CT abdomen. axial view. 512x512 px
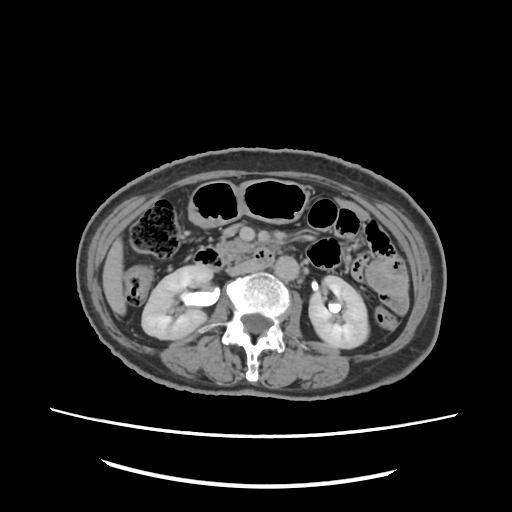

Each box given as x1,y1,x2,y2. The annotated organs in this slice are: right kidney at x1=141, y1=266, x2=211, y2=339, left kidney at x1=308, y1=275, x2=369, y2=348, liver at x1=103, y1=238, x2=125, y2=314, stomach at x1=187, y1=180, x2=309, y2=227, aorta at x1=276, y1=255, x2=298, y2=279, inferior vena cava at x1=230, y1=261, x2=264, y2=274, pancreas at x1=216, y1=238, x2=283, y2=266, duodenum at x1=193, y1=248, x2=273, y2=270.